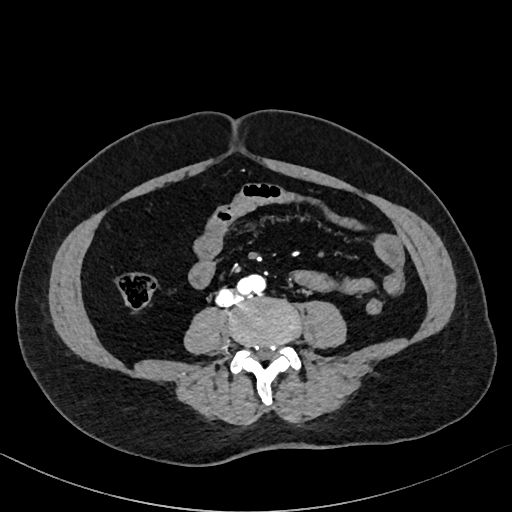 CT abdomen — axial view
Bounding boxes in pixels, one row per box: x1, y1 is the top-left corner and x2, y2 the bottom-right.
| organ | x1 | y1 | x2 | y2 |
|---|---|---|---|---|
| aorta | 237 | 274 | 265 | 294 |